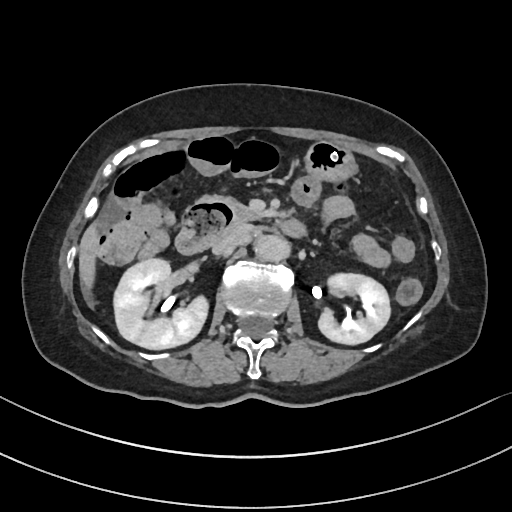 Computed tomography, abdomen — Axial slice 141/212 — abdomen soft-tissue window — 512x512 px — acquired on SOMATOM Force — scan has 15 labeled organs (a whole-scan count: organs this slice does not pass through have no box)
{"organs":{"duodenum":[174,200,306,254],"inferior vena cava":[212,226,247,254],"aorta":[254,235,288,260],"pancreas":[198,194,257,223],"liver":[79,223,98,290],"stomach":[304,141,357,182],"left kidney":[318,273,390,344],"right kidney":[114,258,208,349]}}